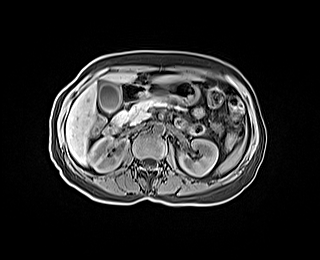
Abdominal MR; Axial slice 36/72; 1st–99th percentile window
{"organs":{"pancreas":[113,97,182,125],"right kidney":[89,136,128,171],"duodenum":[104,83,143,133],"gall bladder":[98,82,121,112],"stomach":[141,81,199,103],"liver":[66,73,196,165],"aorta":[153,123,164,134],"inferior vena cava":[133,124,143,129],"left kidney":[178,139,217,176],"spleen":[216,145,243,174]}}